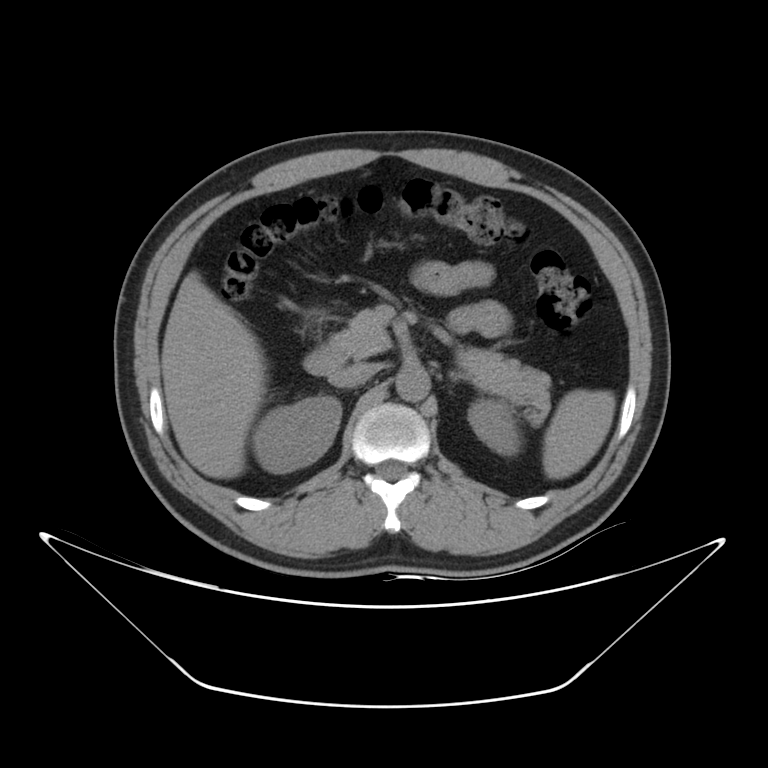 Abdominal CT — Axial slice 77/100 — abdomen soft-tissue window — 768x768 px
Boxes: x1 y1 x2 y2 (pixel coords, space-separated). 9 labeled organs on this slice — spleen at 543 389 615 479; right kidney at 252 396 341 472; left kidney at 467 400 521 456; liver at 161 271 265 478; aorta at 395 368 429 402; inferior vena cava at 329 363 375 388; pancreas at 333 309 550 387; left adrenal gland at 449 372 470 381; duodenum at 304 341 346 375.